CT abdomen. Axial slice 63/81. soft-tissue window. 768x768 px. 63-year-old male patient. Brilliance16 scanner
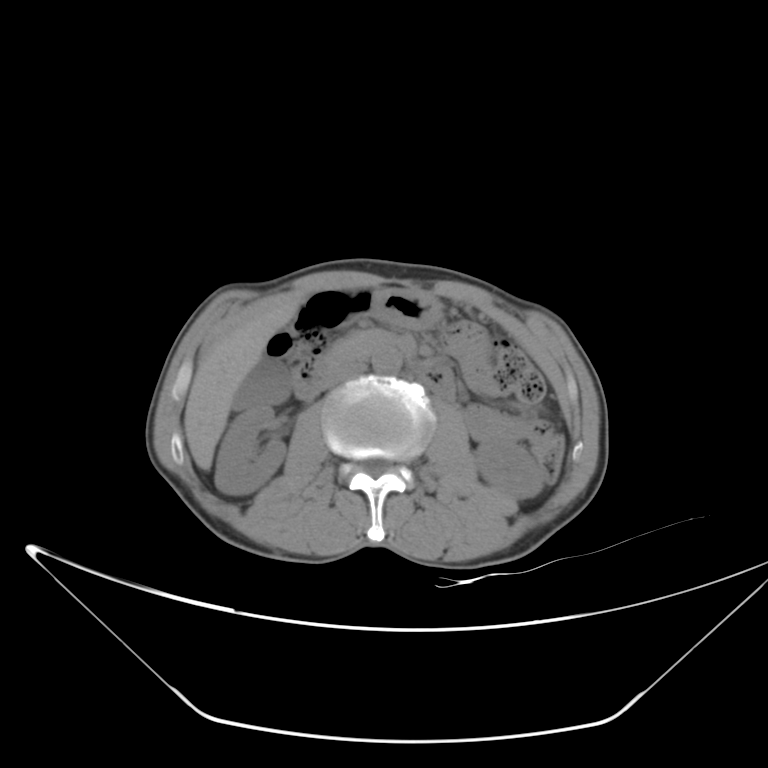
{"organs":{"right kidney":[215,406,286,495],"left kidney":[474,441,545,499],"gall bladder":[233,357,289,412],"liver":[184,300,297,470],"stomach":[365,288,441,329],"aorta":[372,347,401,374],"inferior vena cava":[326,362,366,387],"pancreas":[324,329,392,365],"duodenum":[288,288,457,404]}}